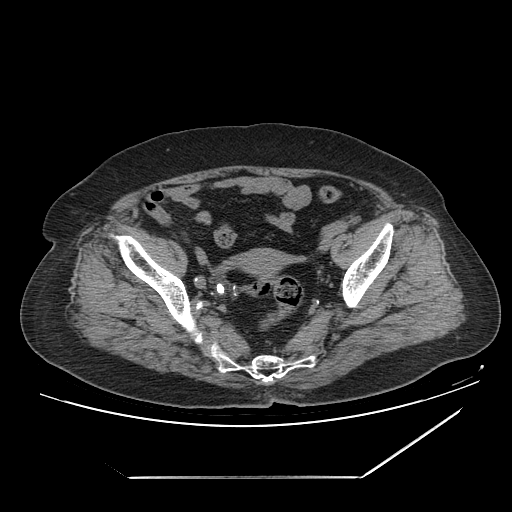
Computed tomography, abdomen — axial view — W/L 400/40 HU
<organs><organ name="prostate/uterus" x1="236" y1="248" x2="285" y2="277"/></organs>